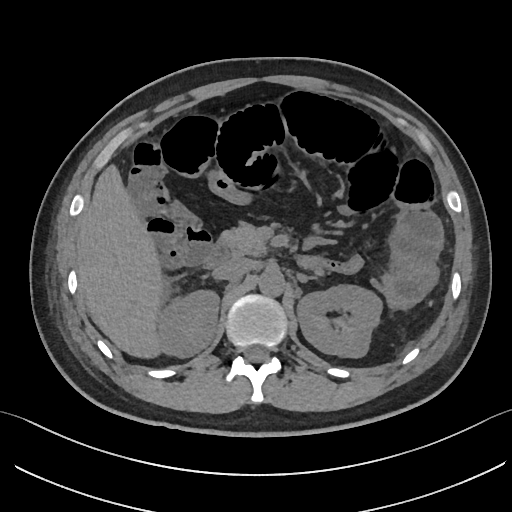 Abdominal CT · axial view · scan has 15 labeled organs (a whole-scan count: organs this slice does not pass through have no box)
<organs><organ name="right kidney" x1="160" y1="291" x2="219" y2="356"/><organ name="left kidney" x1="297" y1="286" x2="381" y2="357"/><organ name="liver" x1="76" y1="164" x2="166" y2="359"/><organ name="aorta" x1="259" y1="270" x2="284" y2="296"/><organ name="inferior vena cava" x1="214" y1="258" x2="254" y2="280"/><organ name="pancreas" x1="219" y1="221" x2="263" y2="255"/><organ name="right adrenal gland" x1="213" y1="279" x2="221" y2="284"/><organ name="left adrenal gland" x1="300" y1="275" x2="308" y2="281"/><organ name="duodenum" x1="204" y1="240" x2="229" y2="267"/></organs>